Abdominal CT. axial plane, index 45. SOMATOM Force scanner. scan has 15 labeled organs (that count is for the whole scan; organs this slice misses have no box)
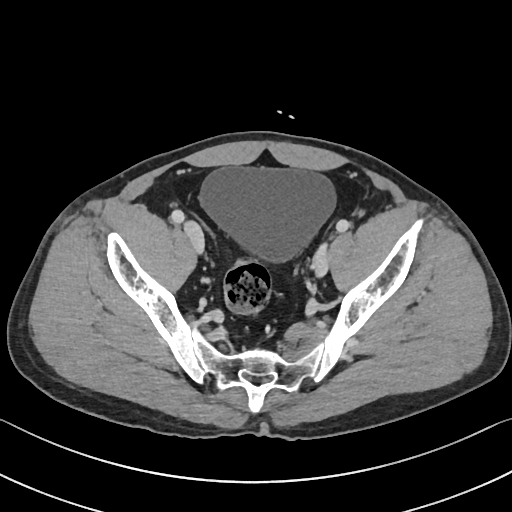 One row per box, in pixels: columns x1 and y1 give the top-left corner, x2 and y2 the bottom-right.
| organ | x1 | y1 | x2 | y2 |
|---|---|---|---|---|
| bladder | 199 | 166 | 335 | 262 |